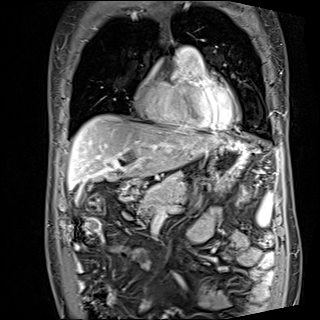

MRI, abdomen. coronal acquisition. 320x320 px
Boxes: x1:y1:x2:y2 in pixels. 6 labeled organs on this slice — spleen at 257:193:272:226; gall bladder at 78:193:83:199; liver at 68:115:221:188; stomach at 208:137:249:190; pancreas at 138:172:187:217; duodenum at 118:185:138:201.